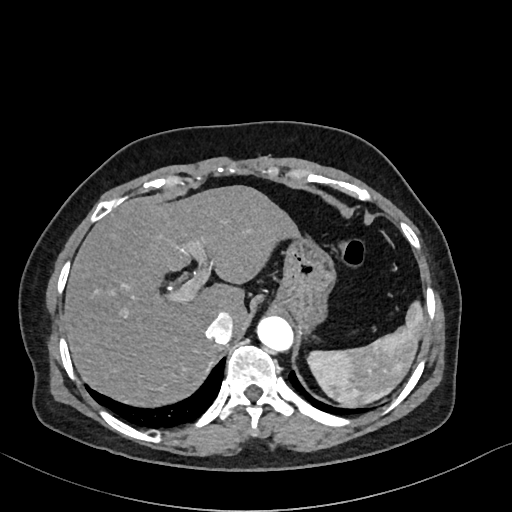 CT, abdomen/pelvis — axial view — SOMATOM Force scanner
<organs><organ name="stomach" x1="271" y1="234" x2="335" y2="332"/><organ name="spleen" x1="307" y1="301" x2="425" y2="406"/><organ name="liver" x1="64" y1="185" x2="298" y2="406"/><organ name="aorta" x1="257" y1="316" x2="293" y2="351"/><organ name="inferior vena cava" x1="206" y1="312" x2="233" y2="344"/></organs>